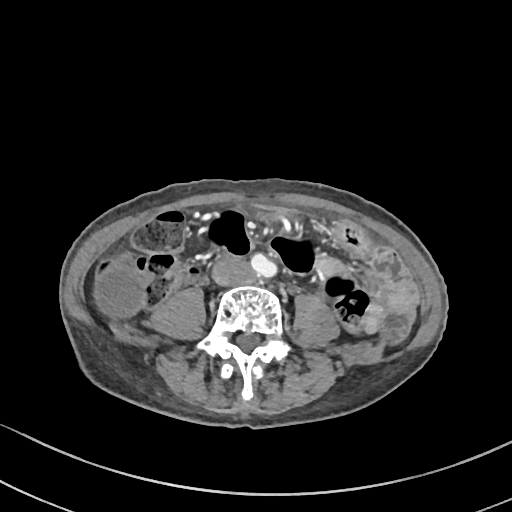 Computed tomography, abdomen · axial view
{"organs":{"gall bladder":[97,270,145,318],"inferior vena cava":[212,257,251,285],"stomach":[259,212,287,218]}}